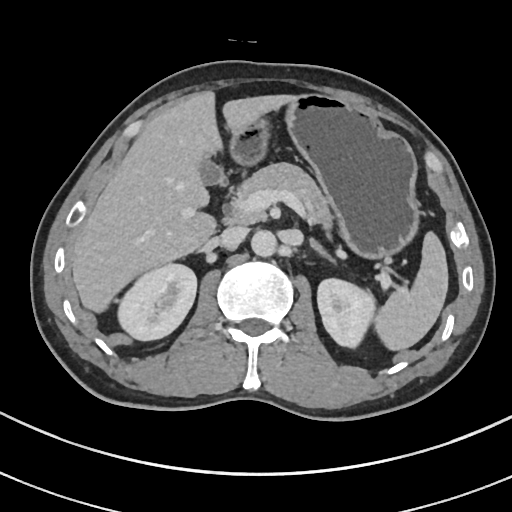 Abdominal CT; Axial slice 136/298; W/L 400/40 HU
Boxes are (x1, y1, x2, y2) in pixels.
spleen: (372, 233, 448, 351)
right kidney: (117, 263, 196, 340)
gall bladder: (204, 164, 221, 183)
left kidney: (318, 278, 373, 346)
liver: (72, 91, 300, 313)
pancreas: (230, 163, 331, 229)
aorta: (252, 231, 281, 258)
inferior vena cava: (217, 226, 248, 247)
left adrenal gland: (311, 238, 336, 264)
stomach: (233, 95, 422, 263)